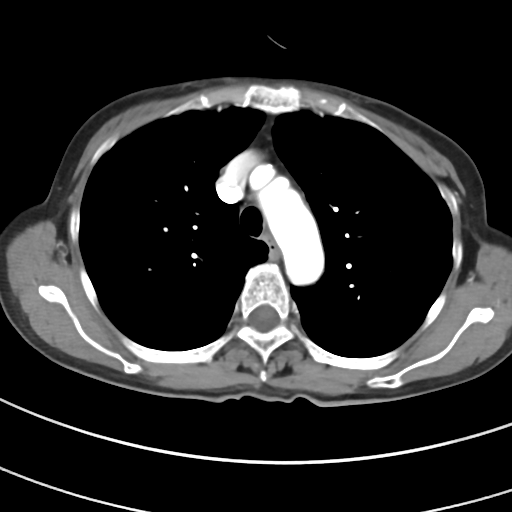 Abdominal CT reaching into the chest; this slice is in the chest · Axial slice 104/118 · acquired on SOMATOM Force
On a slice this high in the chest, this dataset labels only the esophagus and the aorta, and each is boxed only where it is labeled; the heart, lungs and other chest structures are not labeled.
Bounding boxes in pixels, one row per box: x1, y1 is the top-left corner and x2, y2 the bottom-right.
| organ | x1 | y1 | x2 | y2 |
|---|---|---|---|---|
| esophagus | 265 | 237 | 278 | 259 |
| aorta | 258 | 176 | 324 | 284 |